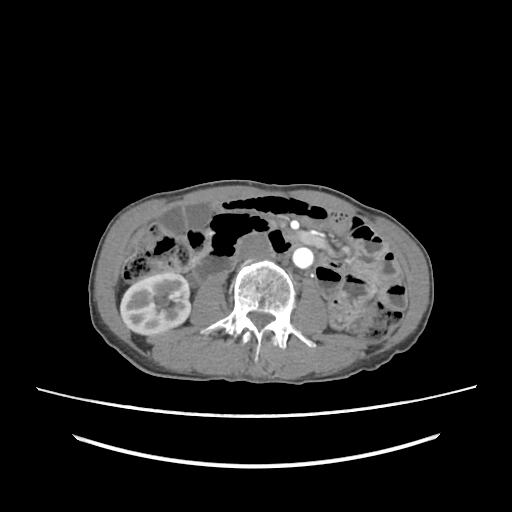
CT, abdomen/pelvis · Axial slice 51/126 · abdomen soft-tissue window · 62-year-old male patient
Coordinates as <box>x1,y1,x2,y2</box> in pixels. 5 labeled organs on this slice — right kidney at <box>120,271,190,335</box>; gall bladder at <box>157,202,211,237</box>; liver at <box>134,230,143,240</box>; aorta at <box>292,247,313,268</box>; inferior vena cava at <box>238,233,272,260</box>.